Abdominal CT — axial view — acquired on SOMATOM Force — scan has 15 labeled organs (that count is for the whole scan; organs this slice misses have no box)
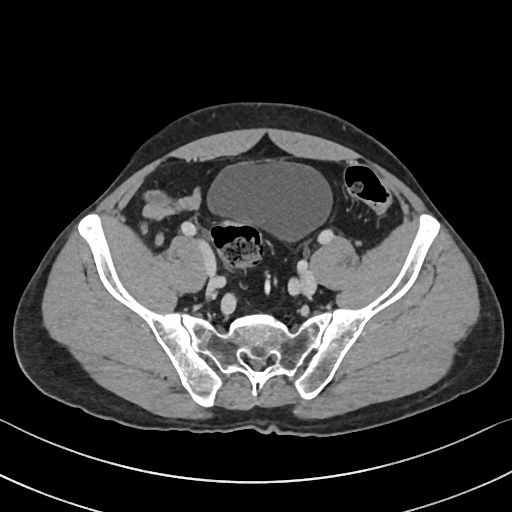 <organs><organ name="bladder" x1="207" y1="160" x2="332" y2="240"/></organs>